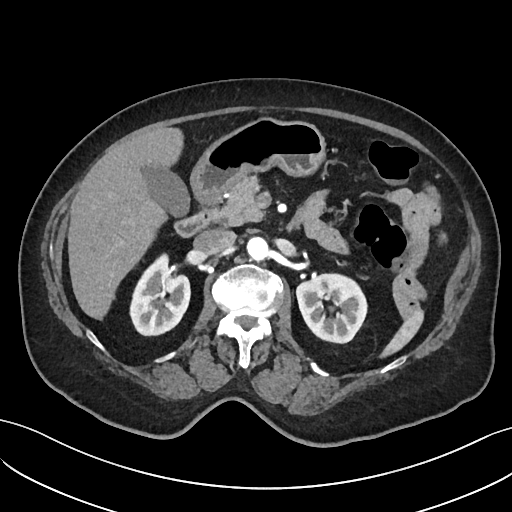
CT abdomen. Axial slice 131/276. W/L 400/40 HU. 512x512 px. SOMATOM Force scanner
<organs><organ name="duodenum" x1="176" y1="195" x2="222" y2="237"/><organ name="liver" x1="68" y1="126" x2="183" y2="319"/><organ name="left kidney" x1="296" y1="273" x2="367" y2="343"/><organ name="pancreas" x1="209" y1="174" x2="263" y2="226"/><organ name="stomach" x1="190" y1="119" x2="326" y2="199"/><organ name="right kidney" x1="130" y1="253" x2="190" y2="335"/><organ name="gall bladder" x1="144" y1="167" x2="190" y2="218"/><organ name="inferior vena cava" x1="193" y1="229" x2="235" y2="256"/><organ name="aorta" x1="247" y1="237" x2="271" y2="261"/><organ name="spleen" x1="381" y1="312" x2="425" y2="356"/></organs>